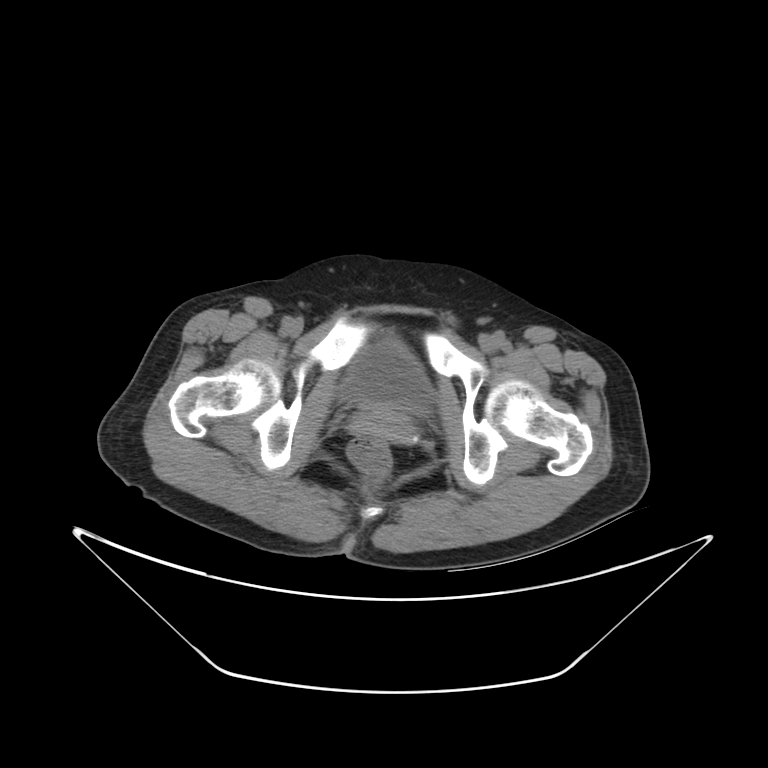 Computed tomography, abdomen — axial plane, index 9 — Brilliance16 scanner
Bounding boxes in pixels, one row per box: x1, y1 is the top-left corner and x2, y2 the bottom-right.
| organ | x1 | y1 | x2 | y2 |
|---|---|---|---|---|
| bladder | 340 | 340 | 433 | 405 |